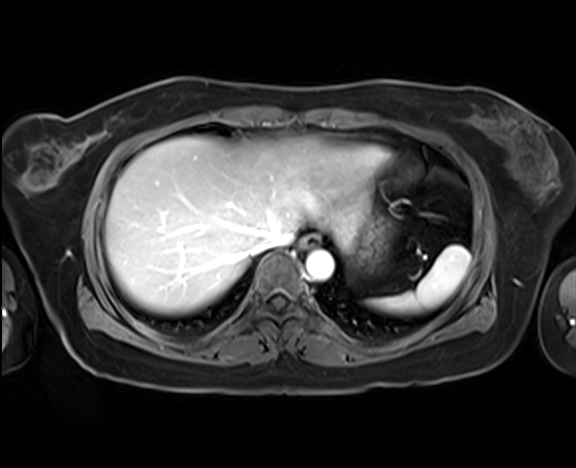
MRI, abdomen. axial view. 1st–99th percentile window. 13 organs annotated in this scan (a whole-scan count: organs this slice does not pass through have no box)
Organ boxes in pixel coordinates; each row gives the top-left (x1, y1) and bottom-right (x2, y2) corners.
| organ | x1 | y1 | x2 | y2 |
|---|---|---|---|---|
| esophagus | 301 | 235 | 319 | 248 |
| stomach | 355 | 217 | 389 | 269 |
| inferior vena cava | 253 | 230 | 293 | 254 |
| aorta | 306 | 250 | 333 | 280 |
| liver | 105 | 136 | 369 | 313 |
| spleen | 370 | 245 | 470 | 313 |